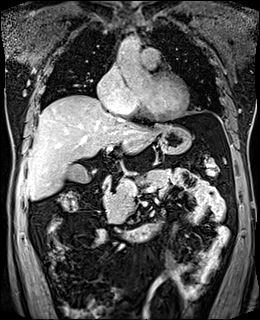
Magnetic resonance imaging, abdomen — coronal view — 1st–99th percentile window
Coordinates as <box>x1,y1,x2,y2</box> in pixels. The annotated organs in this slice are: gall bladder at <box>66,164,92,183</box>, liver at <box>25,95,166,200</box>, stomach at <box>103,126,191,180</box>, aorta at <box>118,37,141,48</box>, pancreas at <box>104,169,170,224</box>, duodenum at <box>102,181,161,241</box>.